CT of the abdomen reaching into the lower chest, slice just above the liver and spleen; Axial slice 87/92; 512x512 px
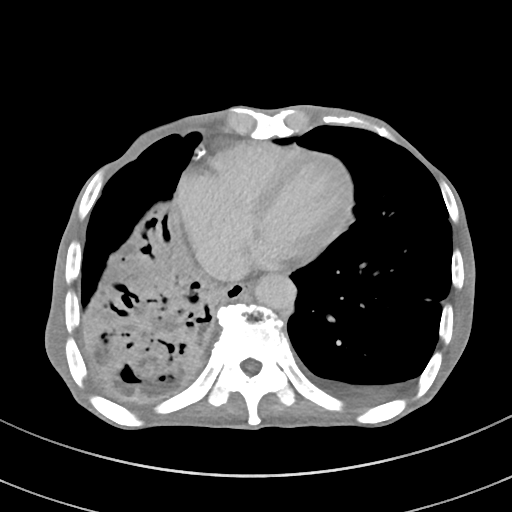 No part of the heart or lungs is labeled in this dataset, so neither has a box here. Box edges are left/top/right/bottom in pixels. Labeled organs on this slice: esophagus at left=220, top=282, right=252, bottom=299, aorta at left=254, top=273, right=296, bottom=310, inferior vena cava at left=203, top=247, right=250, bottom=281.